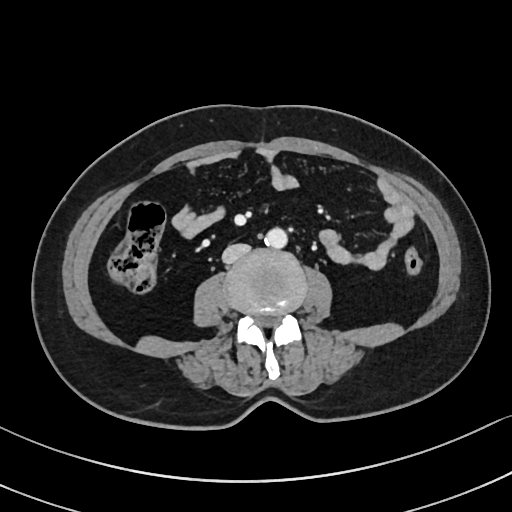 CT abdomen · axial view · 512x512 px
{"organs":{"aorta":[265,228,287,248],"inferior vena cava":[222,243,250,263]}}